Abdominal CT · axial view · 512x512 px · acquired on SOMATOM Force · scan has 15 labeled organs (counted over the whole 3D scan, not this slice; an organ is boxed only where this slice passes through it)
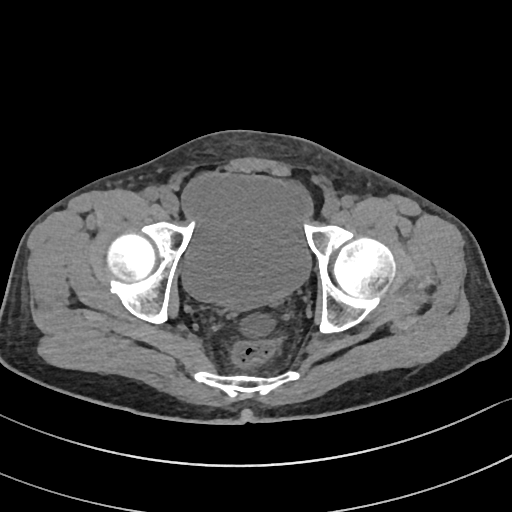 Boxes are (x1, y1, x2, y2) in pixels.
bladder: (182, 175, 313, 306)